Computed tomography, abdomen · axial view · acquired on Brilliance16
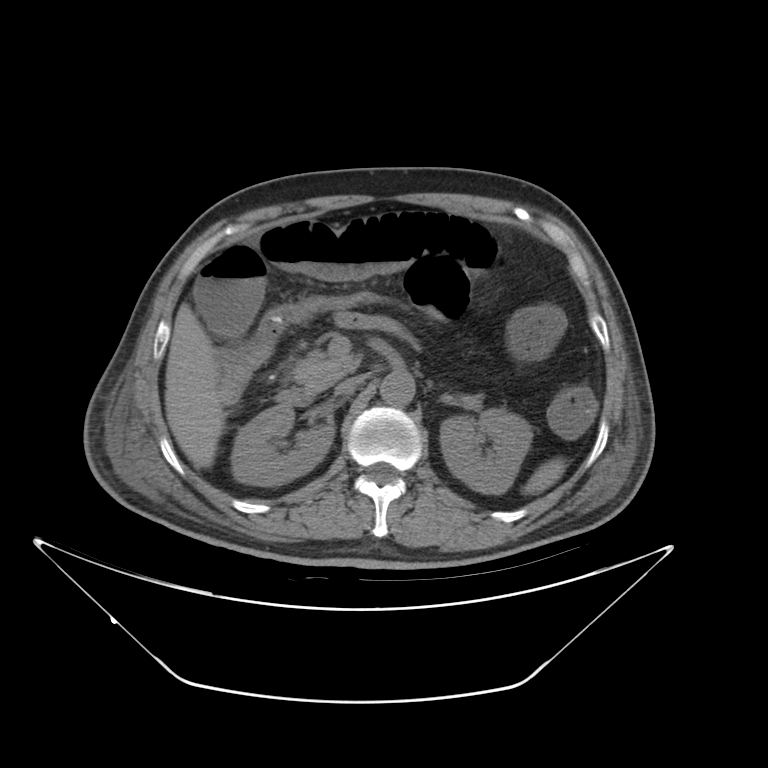 Organ boxes in pixel coordinates; each row gives the top-left (x1, y1) and bottom-right (x2, y2) corners.
| organ | x1 | y1 | x2 | y2 |
|---|---|---|---|---|
| duodenum | 278 | 390 | 318 | 407 |
| left kidney | 440 | 410 | 530 | 493 |
| aorta | 380 | 371 | 413 | 406 |
| right kidney | 233 | 407 | 335 | 486 |
| inferior vena cava | 333 | 373 | 363 | 398 |
| liver | 165 | 303 | 226 | 468 |
| pancreas | 293 | 354 | 358 | 388 |
| spleen | 524 | 461 | 566 | 496 |